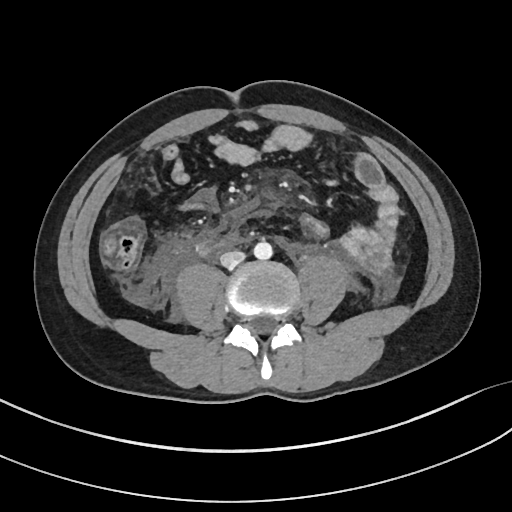

Computed tomography, abdomen — axial view — soft-tissue window (W 400 / L 40) — 512x512 px — scan has 15 labeled organs (a whole-scan count: organs this slice does not pass through have no box)
Bounding boxes in pixels, one row per box: x1, y1 is the top-left corner and x2, y2 the bottom-right.
| organ | x1 | y1 | x2 | y2 |
|---|---|---|---|---|
| aorta | 253 | 241 | 272 | 260 |
| inferior vena cava | 220 | 250 | 245 | 267 |